CT, abdomen/pelvis. axial view. 512x512 px. 55-year-old male patient. scan has 15 labeled organs (counted over the whole 3D scan, not this slice; an organ is boxed only where this slice passes through it)
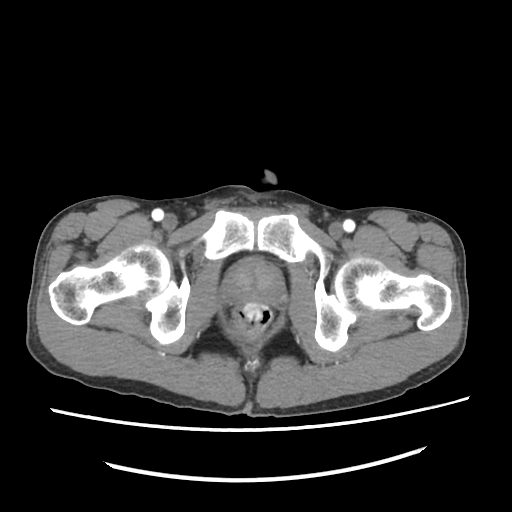 Bounding boxes as [x1, y1, x2, y2] in pixel coordinates. 1 labeled organ on this slice — prostate/uterus at [222, 260, 283, 305].